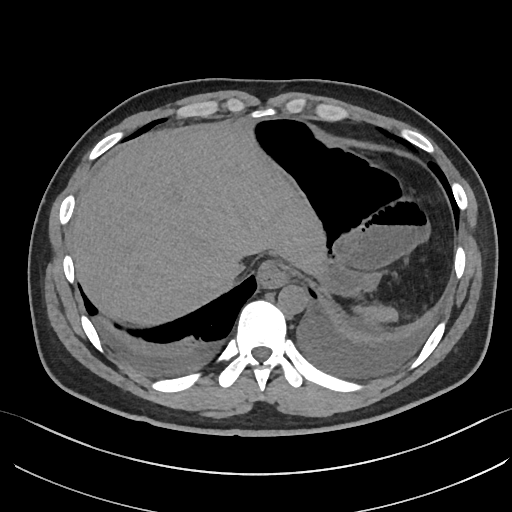 CT, abdomen/pelvis — axial view — SOMATOM Force scanner
{"organs":{"spleen":[354,306,397,319],"esophagus":[258,261,289,287],"liver":[69,122,327,324],"stomach":[253,117,402,293],"aorta":[278,284,308,315],"inferior vena cava":[214,260,244,286]}}